CT, abdomen/pelvis. Axial slice 176/345. acquired on SOMATOM Force
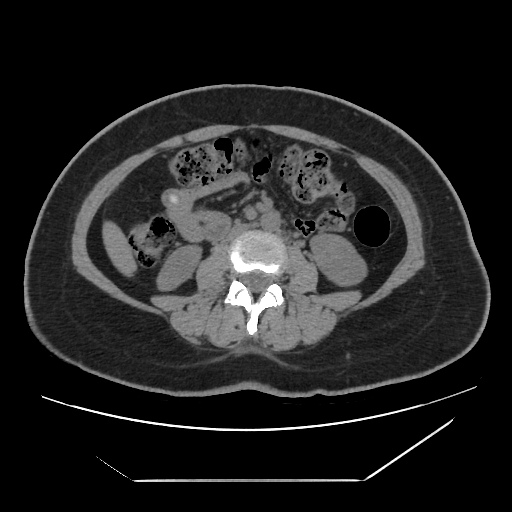
{"organs":{"right kidney":[157,246,200,289],"left kidney":[311,234,366,284],"liver":[103,222,135,273],"aorta":[261,211,280,231],"inferior vena cava":[223,224,249,242]}}